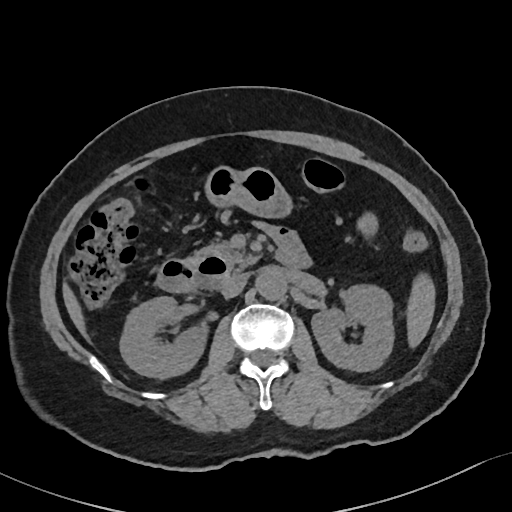

Abdominal CT; Axial slice 130/192; scan has 15 labeled organs (that count is for the whole scan; organs this slice misses have no box)
Boxes: x1 y1 x2 y2 (pixel coords, space-separated). The annotated organs in this slice are: spleen at 408 277 434 345, right kidney at 119 296 204 377, left kidney at 312 283 394 370, liver at 63 284 86 337, stomach at 207 168 290 215, aorta at 254 268 284 299, inferior vena cava at 221 273 246 297, pancreas at 187 241 258 270, duodenum at 157 230 311 292.